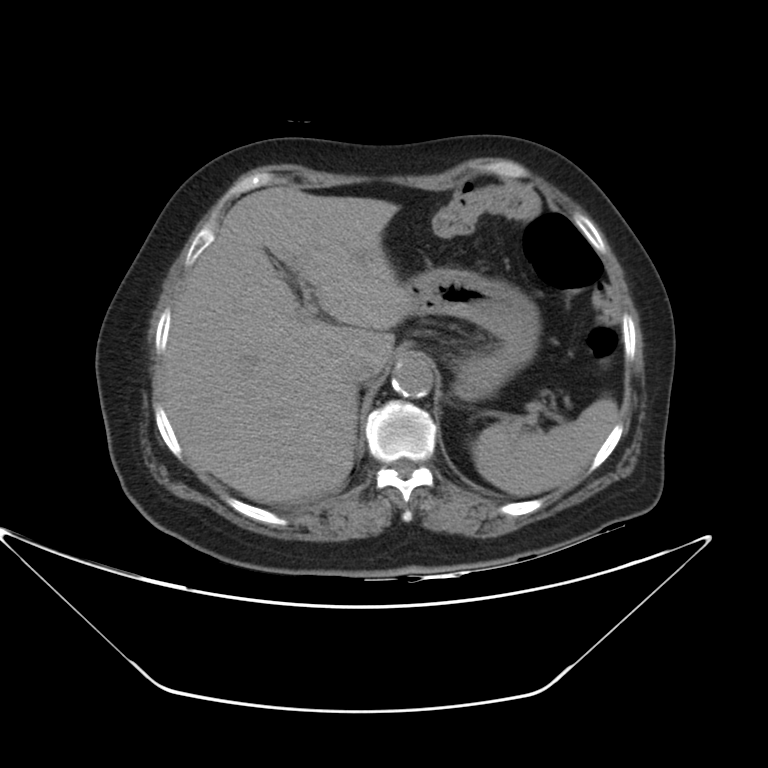
Computed tomography, abdomen; axial view; soft-tissue window (W 400 / L 40)
Organ boxes in pixel coordinates; each row gives the top-left (x1, y1) and bottom-right (x2, y2) corners.
| organ | x1 | y1 | x2 | y2 |
|---|---|---|---|---|
| spleen | 472 | 397 | 619 | 496 |
| liver | 163 | 186 | 411 | 503 |
| stomach | 406 | 268 | 535 | 399 |
| aorta | 392 | 357 | 433 | 398 |
| inferior vena cava | 345 | 357 | 380 | 384 |